Computed tomography, abdomen — Axial slice 102/291
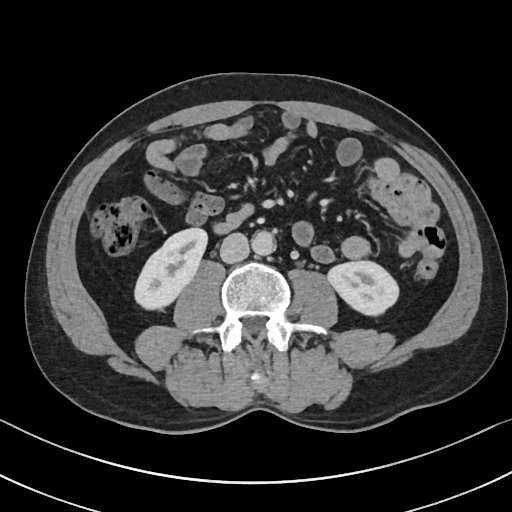 <organs><organ name="right kidney" x1="134" y1="228" x2="207" y2="309"/><organ name="left kidney" x1="328" y1="261" x2="398" y2="315"/><organ name="aorta" x1="252" y1="231" x2="275" y2="255"/><organ name="inferior vena cava" x1="220" y1="233" x2="249" y2="263"/></organs>